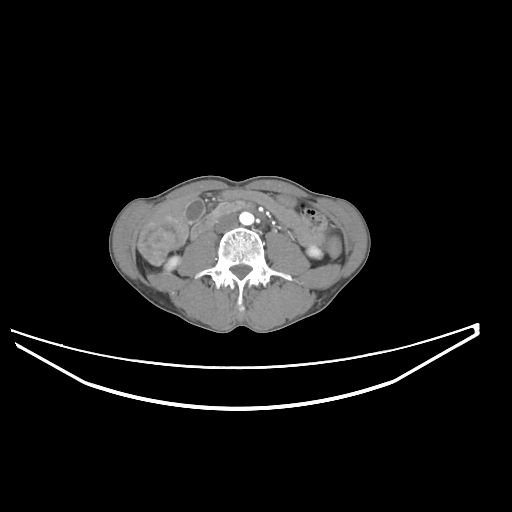 Abdominal CT — axial view
<organs><organ name="right kidney" x1="165" y1="256" x2="179" y2="271"/><organ name="left kidney" x1="307" y1="246" x2="322" y2="258"/><organ name="gall bladder" x1="186" y1="198" x2="204" y2="223"/><organ name="liver" x1="137" y1="195" x2="195" y2="265"/><organ name="aorta" x1="239" y1="212" x2="253" y2="224"/><organ name="inferior vena cava" x1="216" y1="216" x2="236" y2="232"/><organ name="duodenum" x1="192" y1="201" x2="245" y2="237"/></organs>